CT abdomen — axial view — 512x512 px — acquired on SOMATOM Force
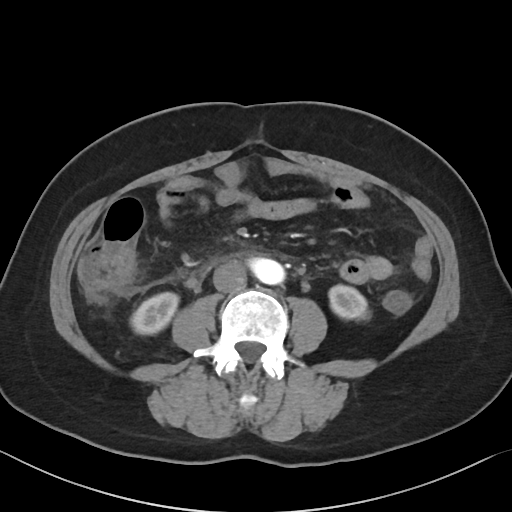

{"organs":{"aorta":[250,258,284,284],"right kidney":[130,292,178,334],"left kidney":[329,285,369,319],"inferior vena cava":[213,261,246,292]}}